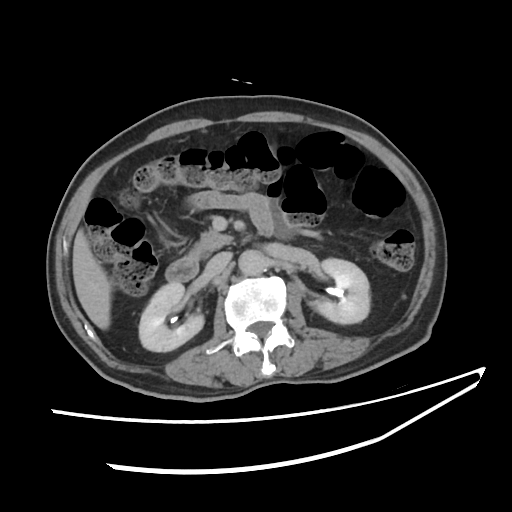

Computed tomography, abdomen — axial view — W/L 400/40 HU
Boxes are (x1, y1, x2, y2) in pixels.
Organ bounding boxes:
- inferior vena cava: (204, 252, 232, 276)
- liver: (72, 230, 112, 327)
- left kidney: (312, 257, 369, 323)
- aorta: (239, 250, 265, 274)
- duodenum: (165, 249, 200, 283)
- pancreas: (195, 229, 231, 251)
- right kidney: (140, 282, 204, 350)